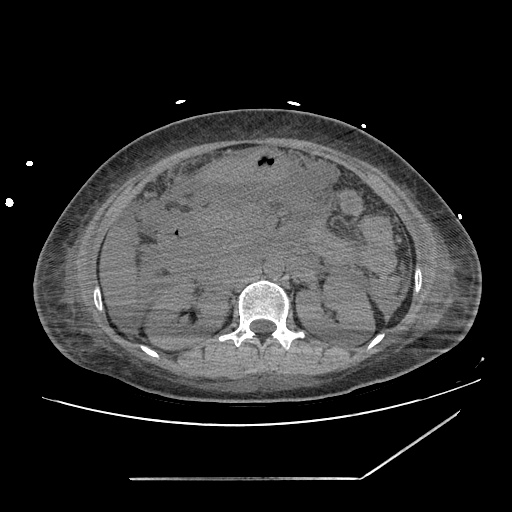 Computed tomography, abdomen. axial plane, index 118
{"organs":{"left kidney":[296,272,374,345],"stomach":[197,151,284,181],"inferior vena cava":[216,254,251,284],"right kidney":[146,275,228,349],"aorta":[263,259,283,278],"pancreas":[202,206,255,240],"duodenum":[160,221,203,258],"liver":[100,226,138,336]}}